Abdominal CT. Axial slice 23/101. soft-tissue window (W 400 / L 40). 40-year-old male patient
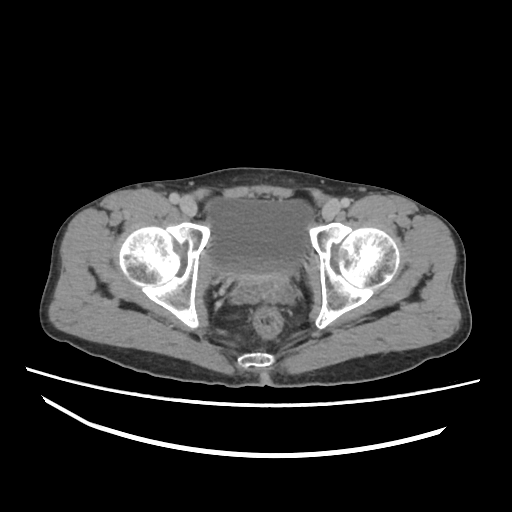

Boxes are (x1, y1, x2, y2) in pixels. The annotated organs in this slice are: bladder at (207, 198, 314, 275).